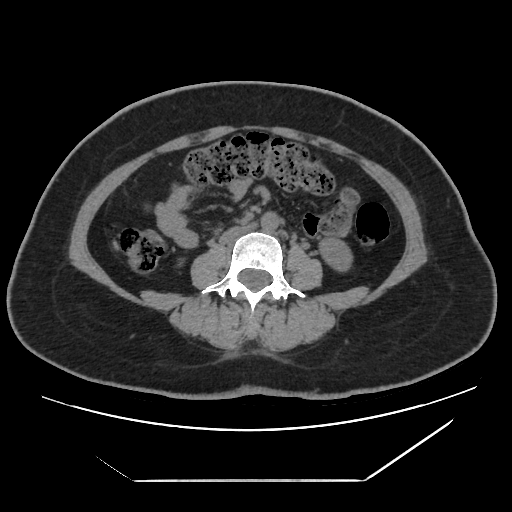 CT, abdomen/pelvis. axial view. 512x512 px. SOMATOM Force scanner
<organs><organ name="left kidney" x1="319" y1="237" x2="353" y2="273"/><organ name="liver" x1="113" y1="240" x2="118" y2="248"/><organ name="aorta" x1="261" y1="212" x2="279" y2="232"/><organ name="inferior vena cava" x1="220" y1="225" x2="252" y2="243"/></organs>